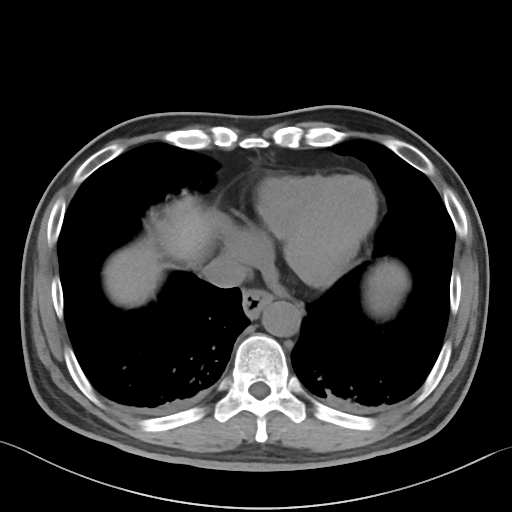 Computed tomography, abdomen. axial view. soft-tissue window
One row per box, in pixels: columns x1 and y1 give the top-left corner, x2 and y2 the bottom-right.
| organ | x1 | y1 | x2 | y2 |
|---|---|---|---|---|
| spleen | 371 | 286 | 398 | 312 |
| esophagus | 242 | 289 | 273 | 318 |
| liver | 103 | 195 | 407 | 306 |
| aorta | 262 | 301 | 300 | 337 |
| inferior vena cava | 203 | 255 | 248 | 287 |